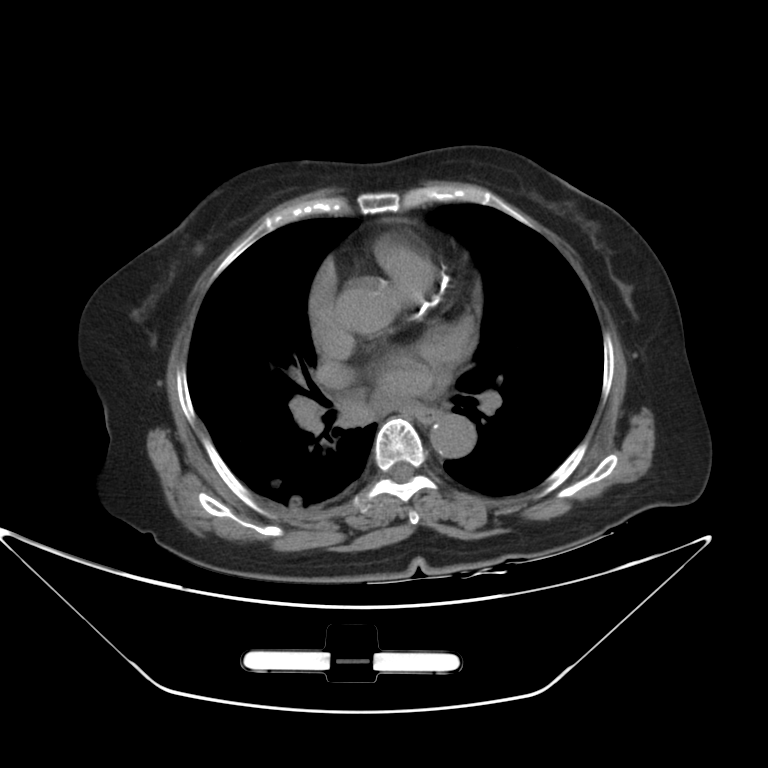

Abdominal CT; this slice is in the lower chest, just above the liver · axial view
Of the structures in the chest, this dataset labels only the esophagus, the aorta and the inferior vena cava; the heart and lungs have no label. Bounding boxes as [x1, y1, x2, y2] in pixel coordinates. The annotated organs in this slice are: aorta at [430, 414, 476, 457], esophagus at [415, 408, 436, 422].